CT, abdomen/pelvis · axial view · W/L 400/40 HU · 512x512 px · acquired on SOMATOM Force
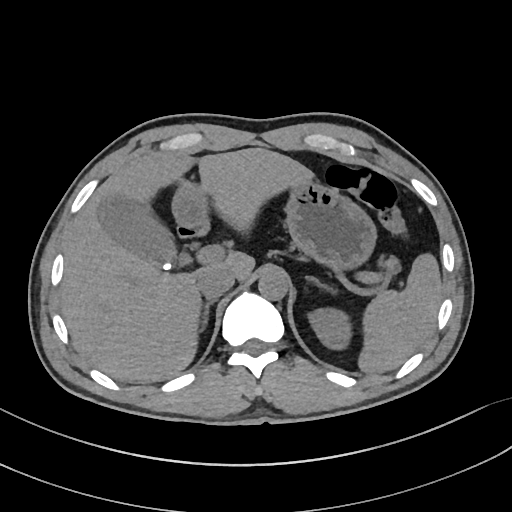
{"organs":{"aorta":[258,269,288,299],"liver":[60,147,310,382],"duodenum":[177,220,210,238],"gall bladder":[97,193,191,269],"inferior vena cava":[196,265,234,298],"spleen":[358,254,442,373],"pancreas":[372,256,401,285],"stomach":[173,178,375,266],"right adrenal gland":[203,299,214,329],"left adrenal gland":[306,276,329,287],"left kidney":[307,308,350,350]}}